Abdominal CT; axial view; soft-tissue window (W 400 / L 40); 768x768 px; 66-year-old female patient
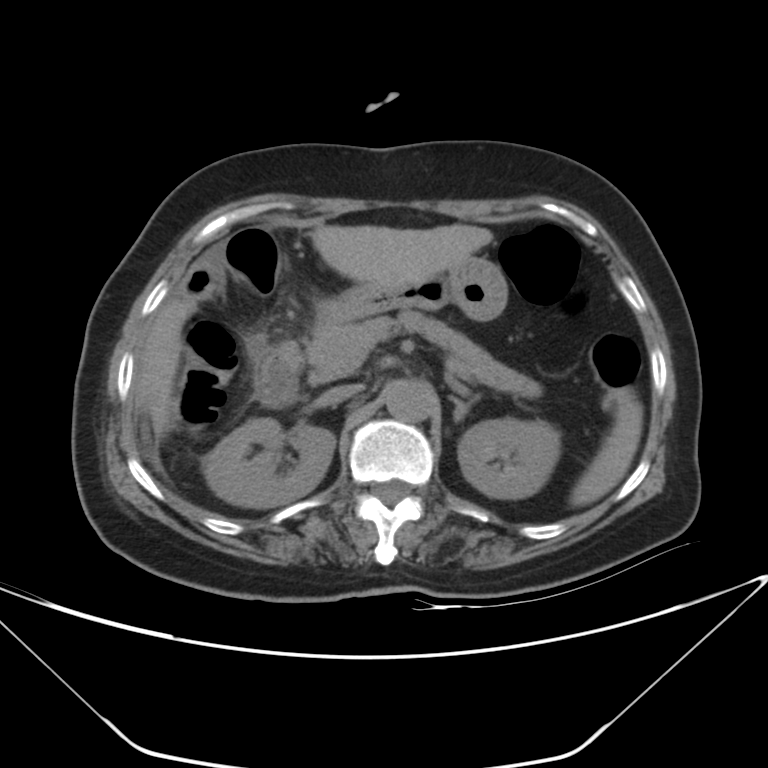

Box edges are left/top/right/bottom in pixels. Labeled organs on this slice: stomach at left=316, top=257, right=507, bottom=320, aorta at left=384, top=379, right=434, bottom=422, liver at left=136, top=224, right=493, bottom=428, duodenum at left=255, top=343, right=300, bottom=407, left adrenal gland at left=450, top=396, right=478, bottom=421, right kidney at left=208, top=418, right=335, bottom=507, inferior vena cava at left=318, top=384, right=360, bottom=406, spleen at left=570, top=394, right=643, bottom=506, left kidney at left=457, top=418, right=560, bottom=499, pancreas at left=305, top=310, right=541, bottom=398.